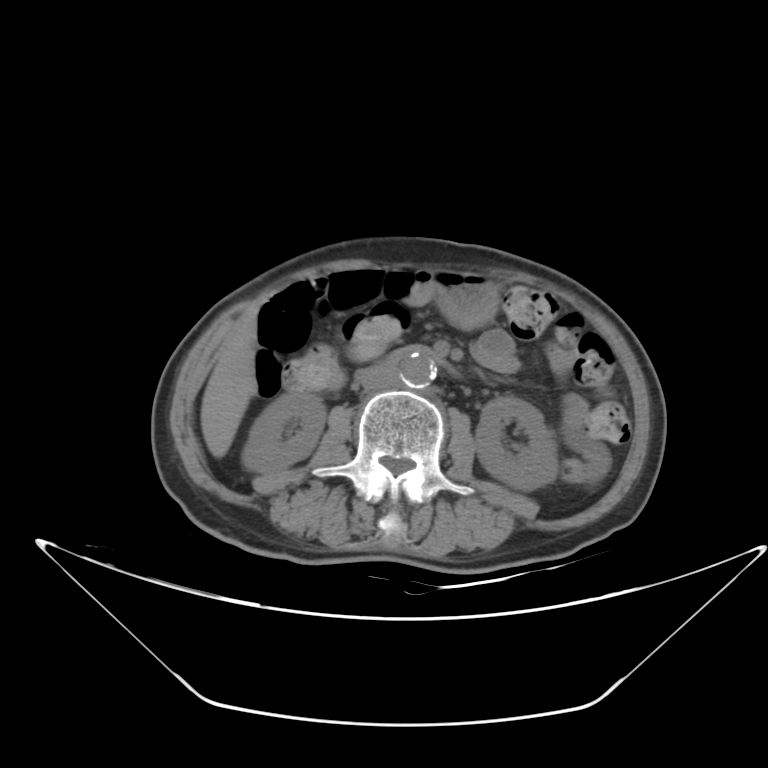 Abdominal CT — axial view — abdomen soft-tissue window
One row per box, in pixels: columns x1 and y1 give the top-left corner, x2 and y2 the bottom-right.
| organ | x1 | y1 | x2 | y2 |
|---|---|---|---|---|
| right kidney | 242 | 392 | 326 | 475 |
| left kidney | 474 | 399 | 558 | 489 |
| liver | 202 | 302 | 260 | 457 |
| stomach | 405 | 269 | 499 | 327 |
| aorta | 399 | 351 | 436 | 386 |
| inferior vena cava | 362 | 362 | 399 | 387 |
| duodenum | 388 | 344 | 450 | 363 |